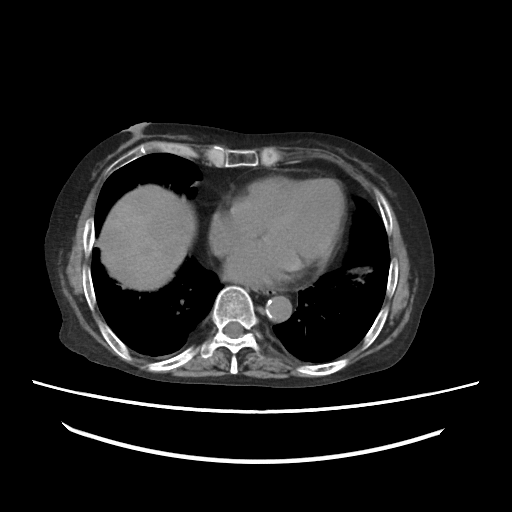

CT, abdomen/pelvis. axial view. 512x512 px
Boxes are (x1, y1, x2, y2) in pixels.
esophagus: (255, 287, 274, 294)
liver: (97, 184, 196, 290)
aorta: (265, 296, 291, 321)